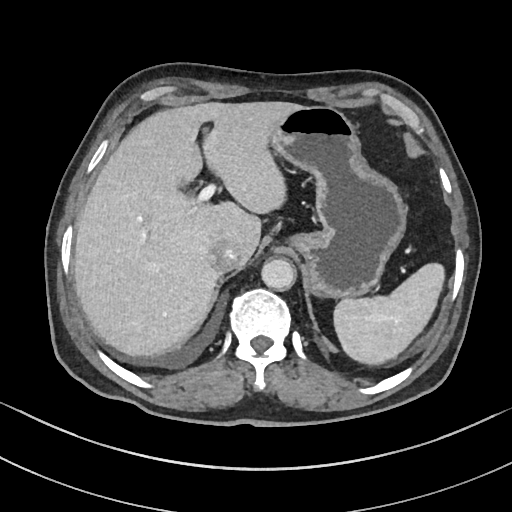
CT, abdomen/pelvis; axial view; W/L 400/40 HU; SOMATOM Force scanner
<organs><organ name="spleen" x1="333" y1="263" x2="443" y2="363"/><organ name="liver" x1="74" y1="102" x2="303" y2="355"/><organ name="stomach" x1="271" y1="106" x2="406" y2="299"/><organ name="aorta" x1="261" y1="259" x2="295" y2="291"/><organ name="inferior vena cava" x1="208" y1="240" x2="238" y2="273"/></organs>